Computed tomography, abdomen; Axial slice 57/83
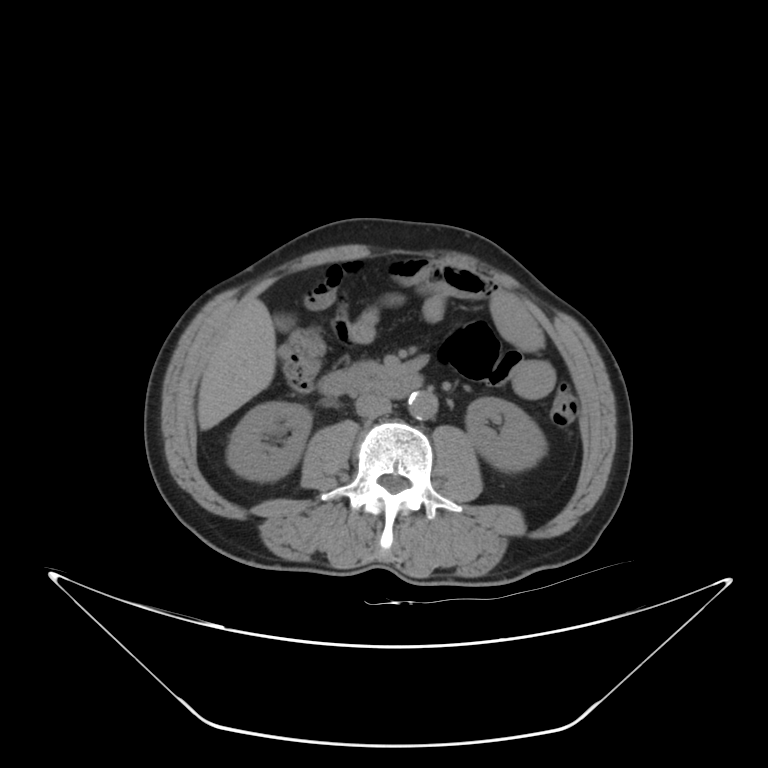
<organs><organ name="pancreas" x1="356" y1="362" x2="377" y2="368"/><organ name="liver" x1="198" y1="298" x2="275" y2="429"/><organ name="aorta" x1="408" y1="390" x2="437" y2="419"/><organ name="duodenum" x1="319" y1="365" x2="423" y2="398"/><organ name="gall bladder" x1="275" y1="315" x2="293" y2="330"/><organ name="left kidney" x1="466" y1="397" x2="546" y2="470"/><organ name="right kidney" x1="226" y1="402" x2="311" y2="481"/><organ name="inferior vena cava" x1="356" y1="394" x2="391" y2="416"/></organs>